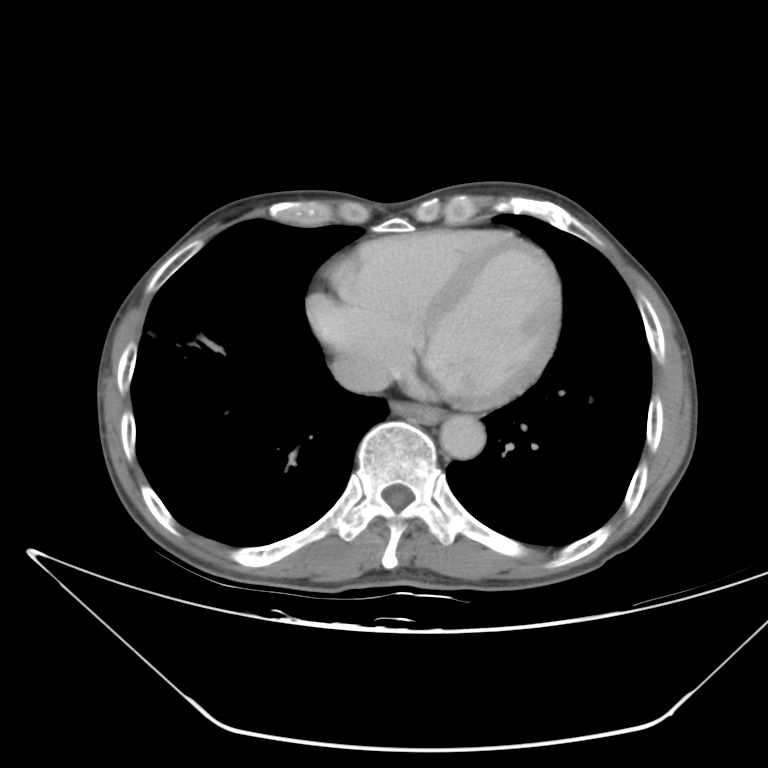

CT of the abdomen reaching into the lower chest, slice just above the liver and spleen — axial plane, index 60 — soft-tissue window (W 400 / L 40)
No part of the heart or lungs is labeled in this dataset, so neither has a box here.
<organs><organ name="esophagus" x1="389" y1="400" x2="444" y2="423"/><organ name="inferior vena cava" x1="333" y1="347" x2="385" y2="390"/><organ name="aorta" x1="442" y1="415" x2="485" y2="458"/></organs>